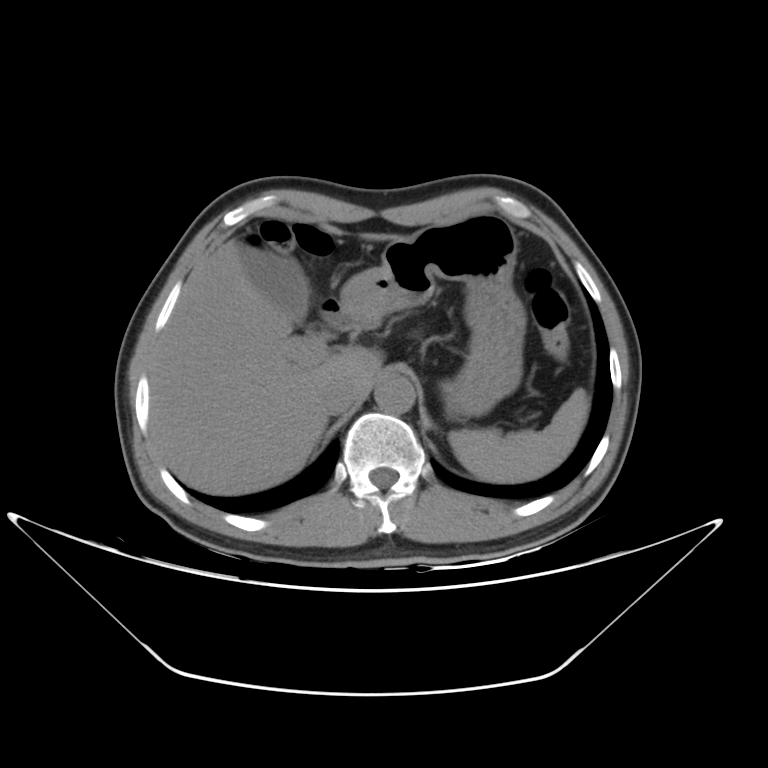
Computed tomography, abdomen — axial view — soft-tissue window
Organ boxes in pixel coordinates; each row gives the top-left (x1, y1) and bottom-right (x2, y2) corners.
| organ | x1 | y1 | x2 | y2 |
|---|---|---|---|---|
| liver | 148 | 224 | 399 | 495 |
| inferior vena cava | 323 | 375 | 356 | 413 |
| stomach | 337 | 216 | 525 | 414 |
| spleen | 449 | 389 | 587 | 482 |
| duodenum | 320 | 299 | 362 | 332 |
| aorta | 375 | 377 | 415 | 413 |
| gall bladder | 244 | 246 | 307 | 325 |